Computed tomography, abdomen · axial view · 768x768 px
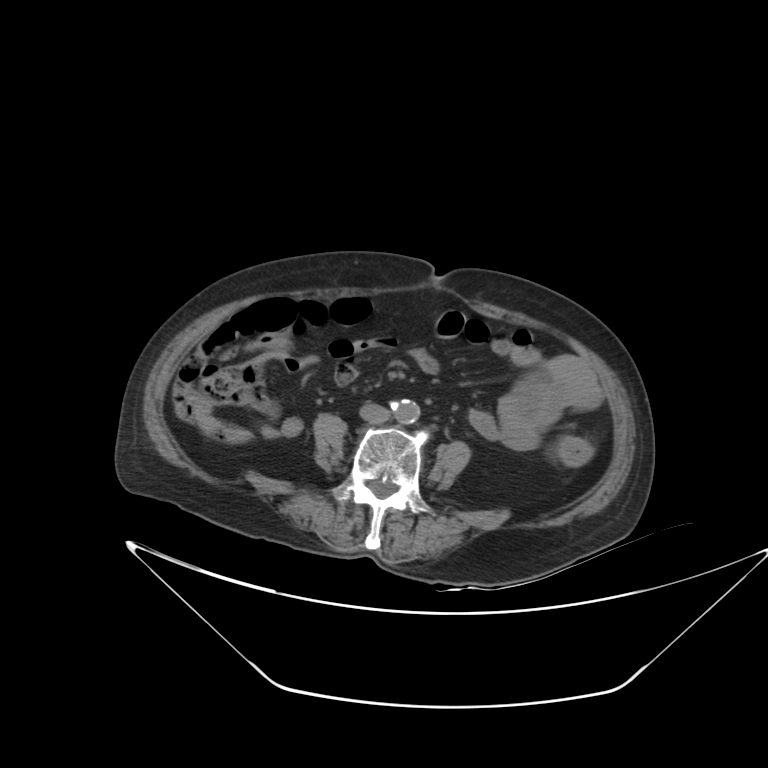 Bounding boxes as [x1, y1, x2, y2] in pixel coordinates. 2 labeled organs on this slice — aorta at [392, 399, 419, 423]; inferior vena cava at [361, 405, 390, 421].